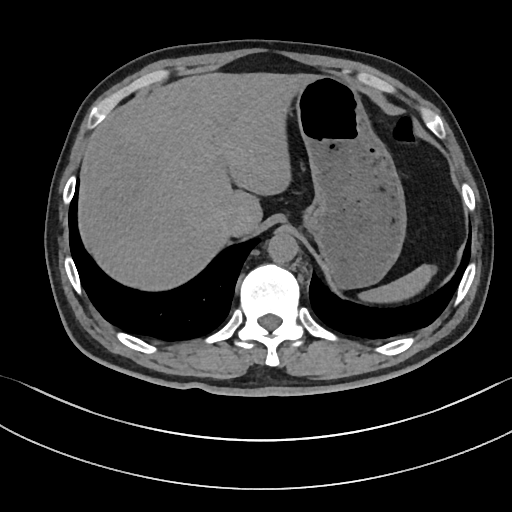

Computed tomography, abdomen. axial view. 512x512 px
Boxes are (x1, y1, x2, y2) in pixels.
spleen: (363, 265, 431, 300)
liver: (80, 73, 316, 289)
stomach: (296, 77, 406, 287)
aorta: (267, 232, 298, 263)
inferior vena cava: (222, 210, 243, 235)